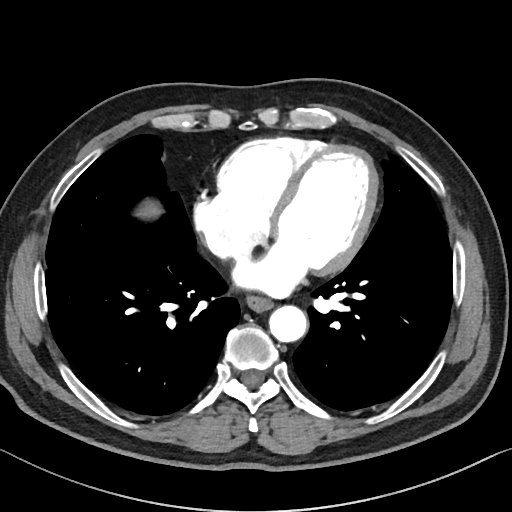 CT abdomen — axial view — scan has 15 labeled organs (that count is for the whole scan; organs this slice misses have no box)
Each box given as x1,y1,x2,y2. The annotated organs in this slice are: esophagus at x1=246, y1=296, x2=273, y2=312, liver at x1=136, y1=200, x2=161, y2=219, aorta at x1=269, y1=305, x2=307, y2=342.